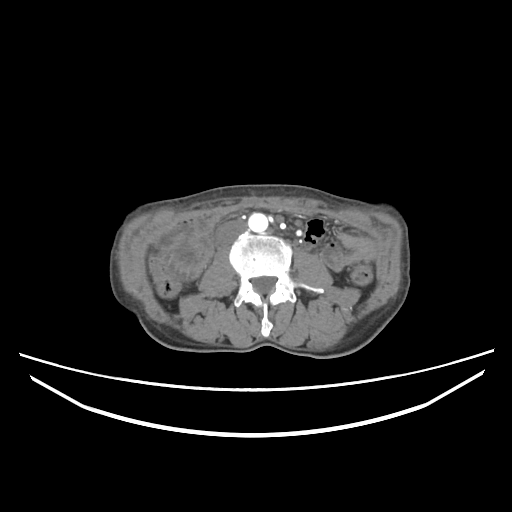
CT, abdomen/pelvis; axial plane, index 46
{"organs":{"inferior vena cava":[216,220,246,245],"aorta":[248,213,268,232]}}